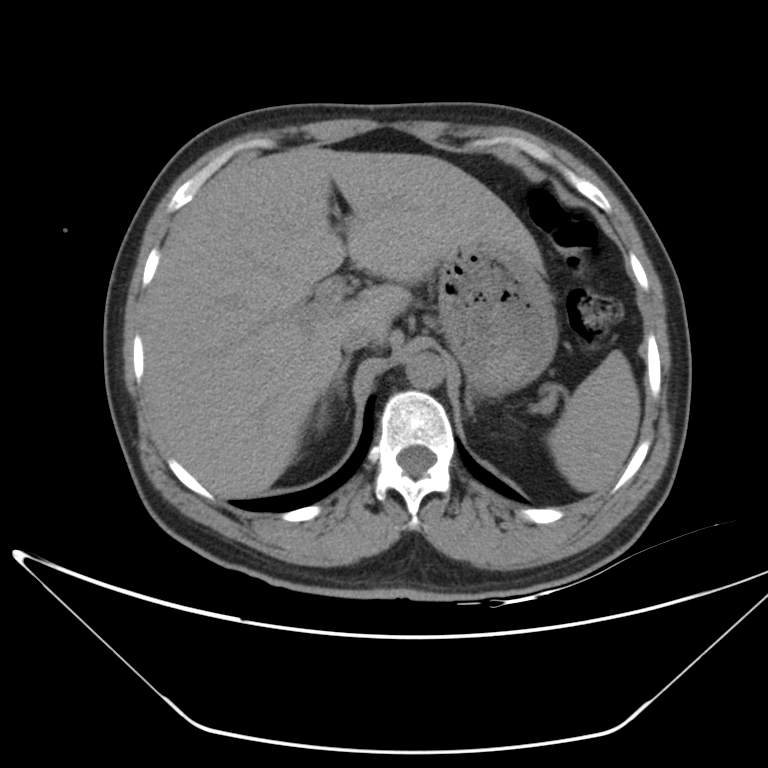 CT, abdomen/pelvis. axial plane, index 66. scan has 15 labeled organs (that count is for the whole scan; organs this slice misses have no box)
Bounding boxes as [x1, y1, x2, y2] in pixel coordinates.
aorta: [406, 351, 445, 389]
liver: [144, 147, 540, 497]
right adrenal gland: [323, 354, 352, 405]
left adrenal gland: [466, 391, 472, 413]
inferior vena cava: [340, 322, 373, 352]
right kidney: [314, 405, 325, 429]
spleen: [546, 350, 641, 493]
stomach: [437, 240, 558, 396]